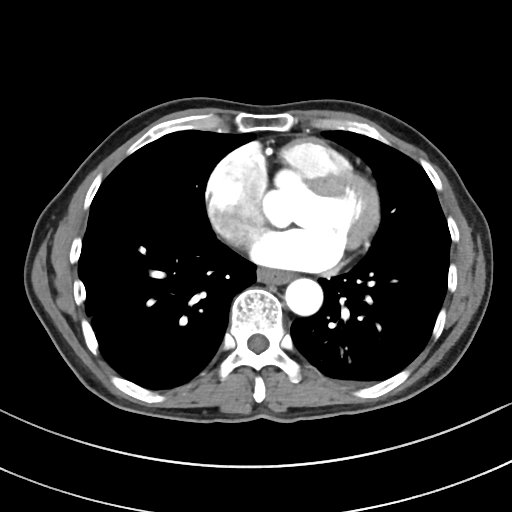
CT of the abdomen reaching into the lower chest, slice just above the liver and spleen. axial view. soft-tissue window (W 400 / L 40). scan has 15 labeled organs (a whole-scan count: organs this slice does not pass through have no box)
No part of the heart or lungs is labeled in this dataset, so neither has a box here.
Box edges are left/top/right/bottom in pixels.
Organ bounding boxes:
- esophagus: left=257, top=269, right=291, bottom=284
- aorta: left=284, top=278, right=323, bottom=316